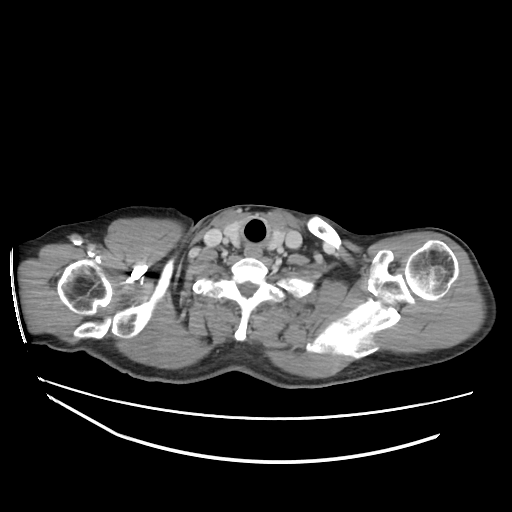

Chest-level slice from an abdominal CT that extends up into the chest. Axial slice 126/128. 512x512 px. 54-year-old male patient
At this level of the chest this dataset labels only the esophagus and the aorta, and each is boxed only where it is labeled; the heart and lungs are never labeled.
Organ boxes in pixel coordinates; each row gives the top-left (x1, y1) and bottom-right (x2, y2) corners.
| organ | x1 | y1 | x2 | y2 |
|---|---|---|---|---|
| esophagus | 245 | 247 | 262 | 258 |